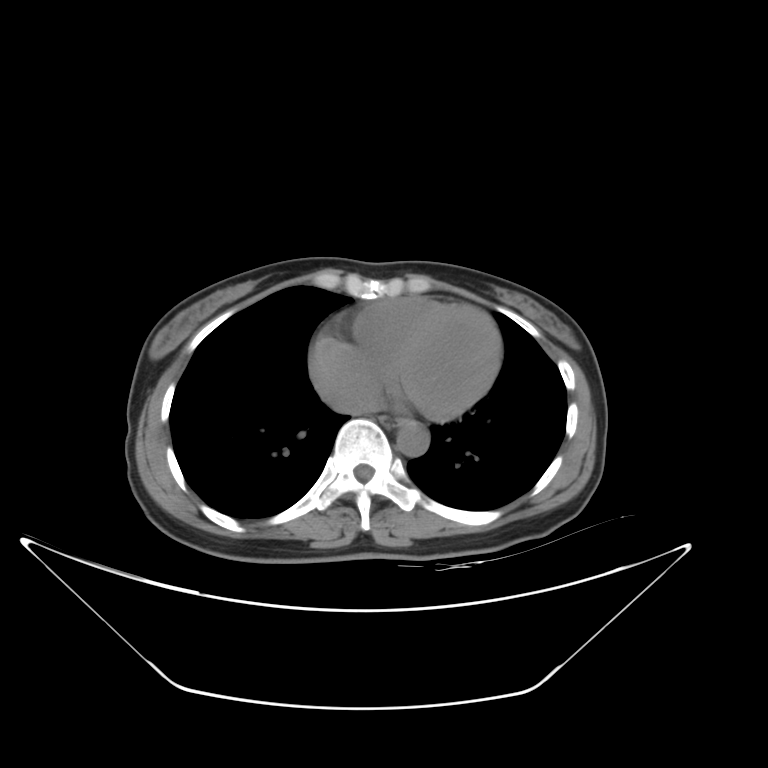
Abdominal CT; this slice is in the lower chest, just above the liver — axial view — soft-tissue window, W/L 400/40 — 15 organs annotated in this scan (a whole-scan count: organs this slice does not pass through have no box)
The heart and lungs are never labeled in this dataset, so they have no box on this slice. Bounding boxes as [x1, y1, x2, y2] in pixel coordinates. The annotated organs in this slice are: aorta at [397, 424, 428, 456], esophagus at [377, 415, 402, 426].